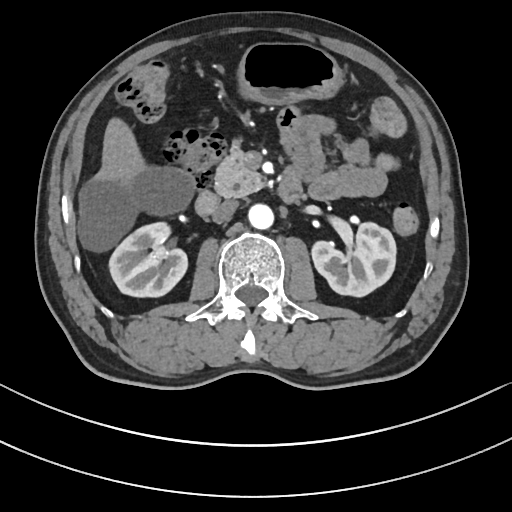
Abdominal CT. Axial slice 128/280. soft-tissue window. 512x512 px
{"organs":{"liver":[77,117,196,250],"duodenum":[196,165,302,215],"gall bladder":[151,164,160,165],"pancreas":[214,138,263,197],"stomach":[234,43,345,106],"inferior vena cava":[210,200,238,222],"aorta":[249,205,274,230],"right kidney":[110,222,188,298],"left kidney":[311,222,395,297]}}